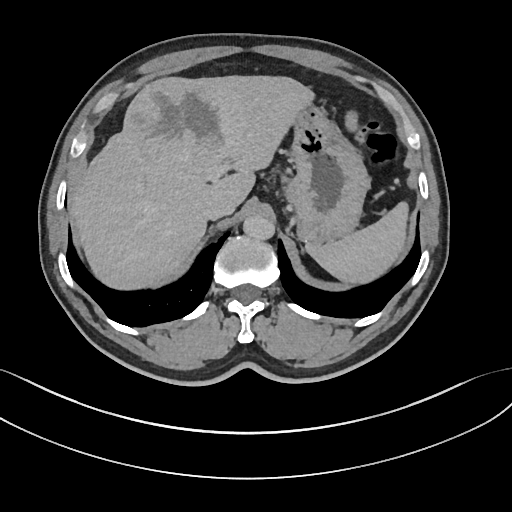
Abdominal CT — axial view — soft-tissue window — 512x512 px — SOMATOM Force scanner
{"organs":{"spleen":[306,202,408,283],"liver":[70,75,314,289],"stomach":[283,104,369,244],"aorta":[243,215,274,240],"inferior vena cava":[202,196,232,219]}}